CT, abdomen/pelvis — axial plane, index 61 — soft-tissue window (W 400 / L 40) — 15 organs annotated in this scan (a whole-scan count: organs this slice does not pass through have no box)
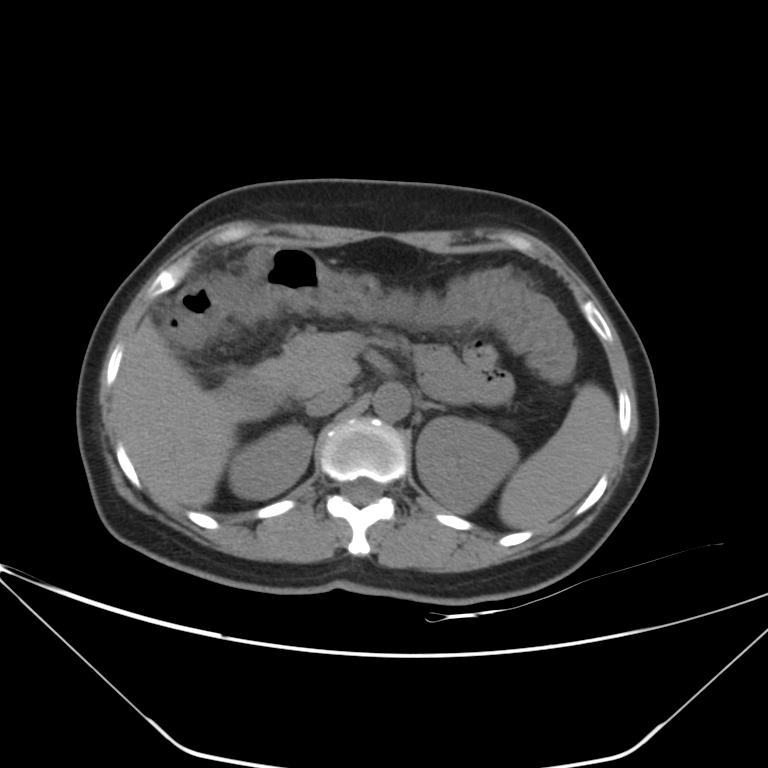
Boxes: x1:y1:x2:y2 in pixels.
Organ bounding boxes:
- spleen: 499:384:616:529
- right kidney: 228:423:312:498
- left kidney: 415:417:518:514
- liver: 115:318:235:509
- aorta: 373:382:408:421
- inferior vena cava: 305:387:350:416
- pancreas: 255:332:358:397
- left adrenal gland: 419:401:444:410
- duodenum: 216:370:282:421